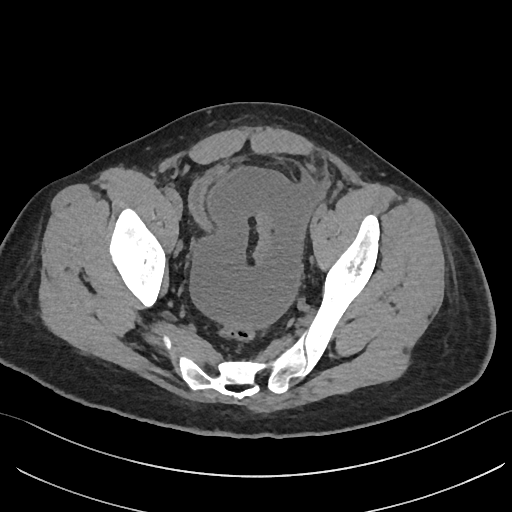
Computed tomography, abdomen; axial plane, index 43; soft-tissue window (W 400 / L 40); acquired on SOMATOM Force
<organs><organ name="bladder" x1="187" y1="164" x2="231" y2="230"/></organs>